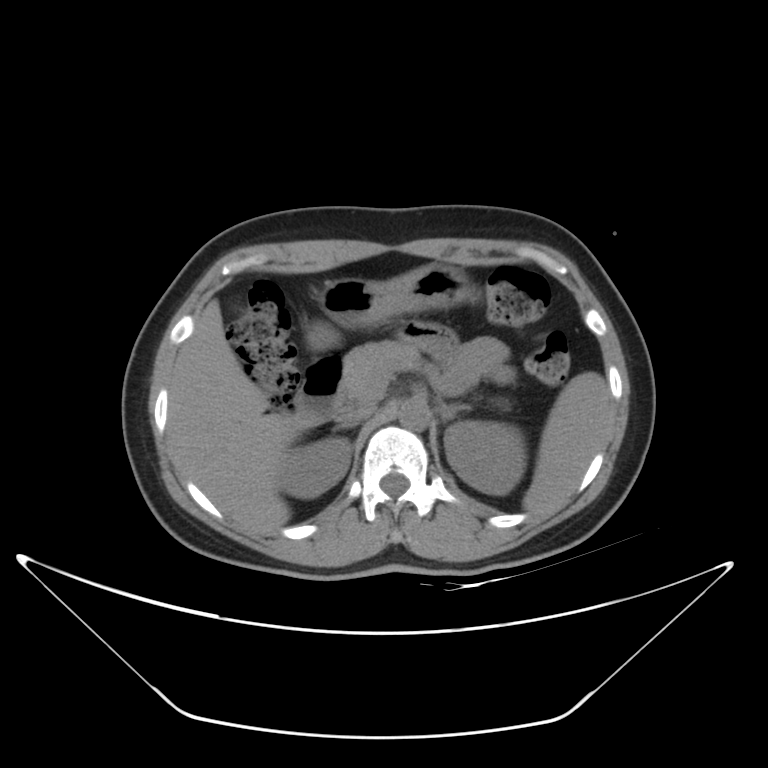 Computed tomography, abdomen. axial view. 39-year-old female patient. Brilliance16 scanner
{"organs":{"spleen":[522,372,610,513],"right kidney":[277,438,351,498],"left kidney":[443,420,525,494],"liver":[168,299,305,535],"stomach":[307,263,468,348],"aorta":[397,396,430,430],"inferior vena cava":[337,403,375,426],"pancreas":[338,341,426,406],"right adrenal gland":[332,424,348,431],"left adrenal gland":[439,404,469,423],"duodenum":[294,356,343,426]}}